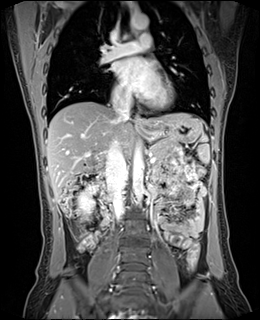

Abdominal MRI; Coronal slice 71/144; percentile-normalized; 260x320 px
Organ boxes in pixel coordinates; each row gives the top-left (x1, y1) and bottom-right (x2, y2) corners.
| organ | x1 | y1 | x2 | y2 |
|---|---|---|---|---|
| spleen | 197 | 133 | 209 | 163 |
| right kidney | 78 | 186 | 95 | 216 |
| esophagus | 136 | 115 | 148 | 136 |
| liver | 46 | 102 | 201 | 198 |
| stomach | 145 | 117 | 202 | 143 |
| aorta | 133 | 146 | 143 | 204 |
| aorta | 129 | 15 | 148 | 31 |
| inferior vena cava | 106 | 136 | 127 | 218 |
| inferior vena cava | 112 | 94 | 131 | 119 |
| pancreas | 150 | 140 | 173 | 161 |
| duodenum | 92 | 171 | 103 | 181 |